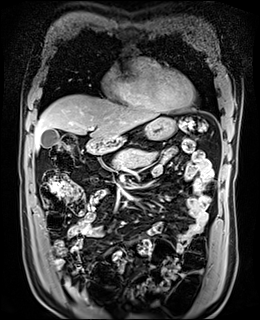

Abdominal MRI · coronal plane, index 97 · 260x320 px
<organs><organ name="gall bladder" x1="41" y1="129" x2="60" y2="148"/><organ name="liver" x1="34" y1="94" x2="158" y2="149"/><organ name="stomach" x1="111" y1="117" x2="176" y2="142"/><organ name="aorta" x1="125" y1="61" x2="129" y2="64"/><organ name="pancreas" x1="112" y1="147" x2="157" y2="169"/><organ name="duodenum" x1="85" y1="138" x2="123" y2="154"/></organs>